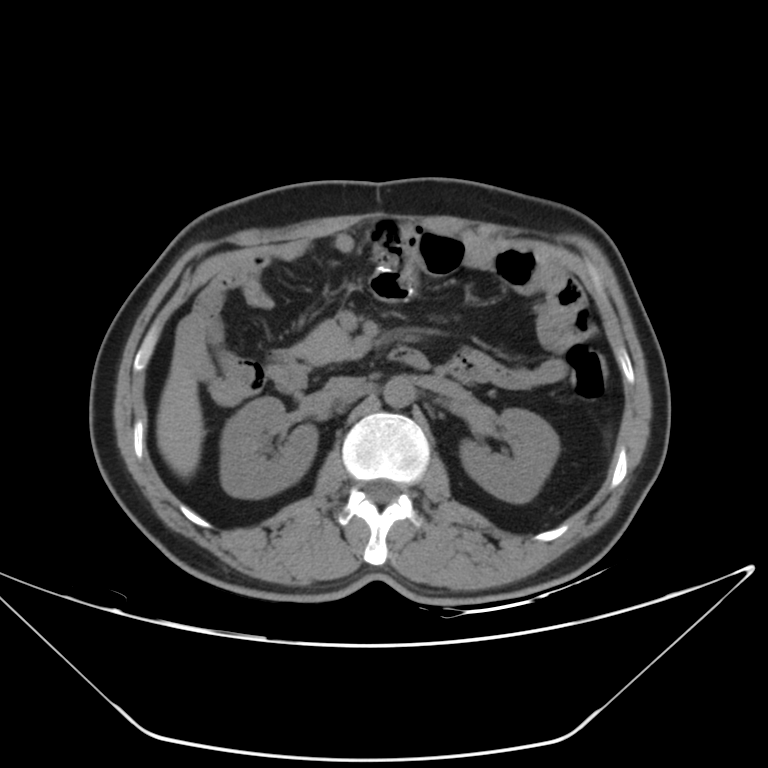
CT abdomen — axial view — soft-tissue window — 768x768 px
<organs><organ name="aorta" x1="383" y1="376" x2="414" y2="407"/><organ name="right kidney" x1="220" y1="397" x2="318" y2="498"/><organ name="duodenum" x1="270" y1="346" x2="430" y2="392"/><organ name="liver" x1="156" y1="361" x2="204" y2="477"/><organ name="inferior vena cava" x1="325" y1="376" x2="364" y2="398"/><organ name="pancreas" x1="292" y1="321" x2="357" y2="365"/><organ name="left kidney" x1="460" y1="408" x2="559" y2="503"/></organs>